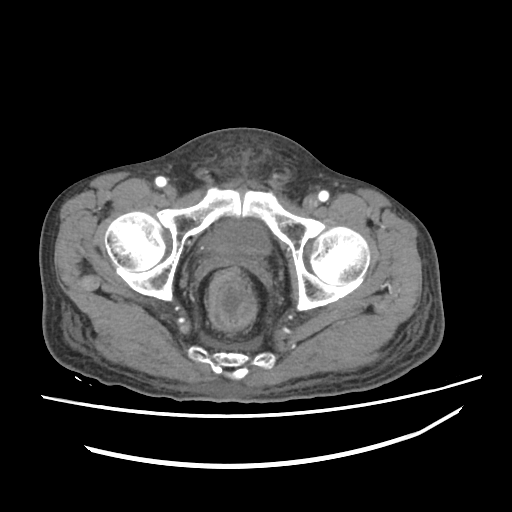
CT abdomen · axial view · 50-year-old male patient
{"organs":{"bladder":[195,220,271,254]}}